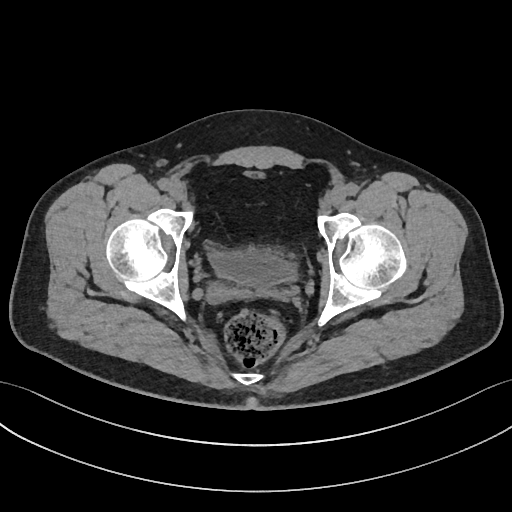 CT, abdomen/pelvis — axial view — abdomen soft-tissue window — SOMATOM Force scanner
Bounding boxes as [x1, y1, x2, y2] in pixel coordinates.
Organ bounding boxes:
- bladder: [208, 252, 295, 286]